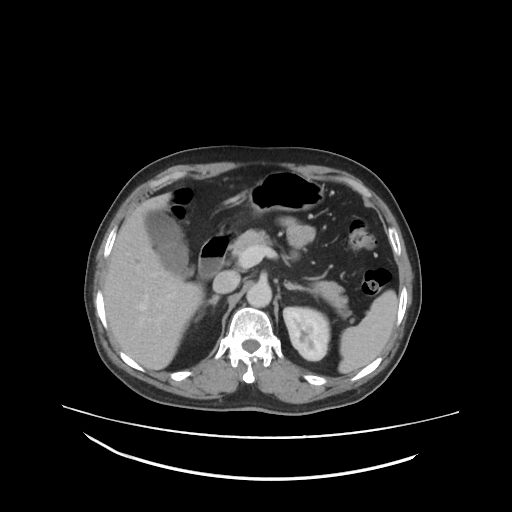
CT, abdomen/pelvis · axial plane, index 64 · 66-year-old male patient
{"organs":{"left kidney":[282,306,330,361],"liver":[104,194,203,370],"inferior vena cava":[212,270,240,292],"spleen":[339,290,397,373],"gall bladder":[146,209,192,275],"aorta":[245,284,271,307],"duodenum":[197,231,237,280],"pancreas":[233,229,354,323],"left adrenal gland":[284,282,318,301],"stomach":[247,171,324,213],"right adrenal gland":[194,295,219,319]}}